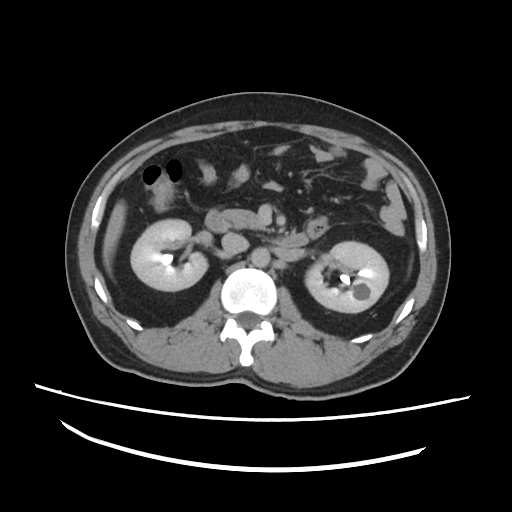 CT abdomen. axial plane, index 65. 44-year-old male patient. acquired on Aquilion ONE
One row per box, in pixels: columns x1 and y1 give the top-left corner, x2 and y2 the bottom-right.
| organ | x1 | y1 | x2 | y2 |
|---|---|---|---|---|
| liver | 103 | 200 | 125 | 270 |
| aorta | 251 | 248 | 269 | 266 |
| duodenum | 206 | 210 | 307 | 249 |
| inferior vena cava | 222 | 232 | 248 | 254 |
| right kidney | 132 | 219 | 208 | 291 |
| left kidney | 305 | 242 | 388 | 312 |
| pancreas | 211 | 209 | 261 | 228 |